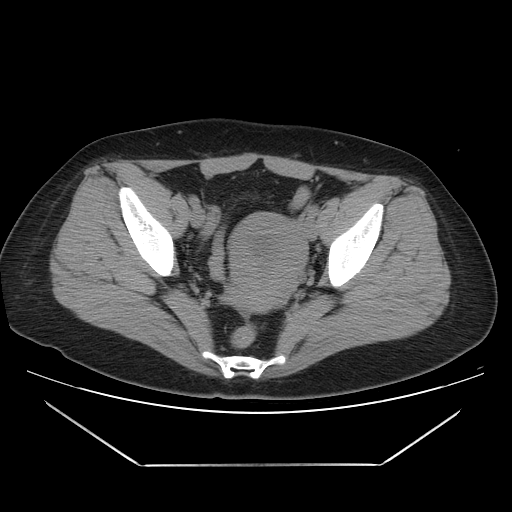
Computed tomography, abdomen; axial view; 512x512 px; 15 organs annotated in this scan (counted over the whole 3D scan, not this slice; an organ is boxed only where this slice passes through it)
{"organs":{"prostate/uterus":[229,215,307,312]}}